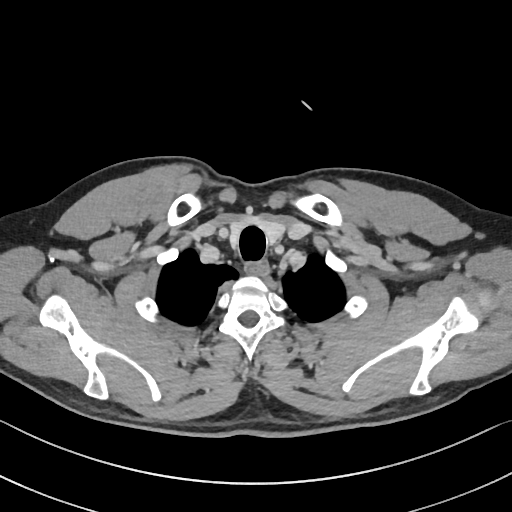 Chest-level CT slice, above the liver and spleen. Axial slice 281/291
At this level of the chest this dataset labels only the esophagus and the aorta, and each is boxed only where it is labeled; the heart and lungs are never labeled.
{"organs":{"esophagus":[244,261,267,276]}}